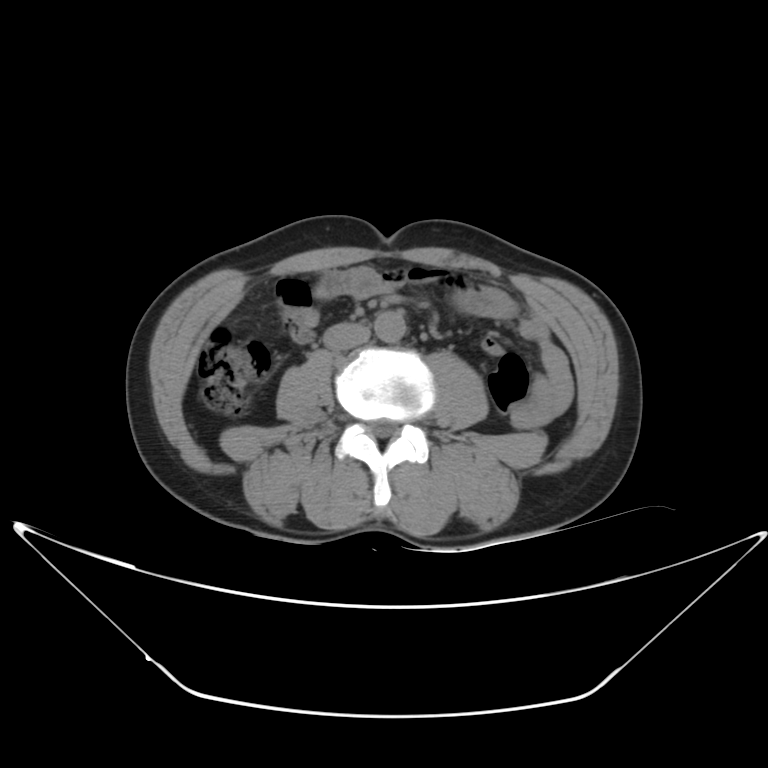
CT, abdomen/pelvis · axial plane, index 50 · soft-tissue window (W 400 / L 40)
Bounding boxes in pixels, one row per box: x1, y1 is the top-left corner and x2, y2 the bottom-right.
| organ | x1 | y1 | x2 | y2 |
|---|---|---|---|---|
| aorta | 376 | 311 | 405 | 340 |
| inferior vena cava | 325 | 324 | 372 | 348 |